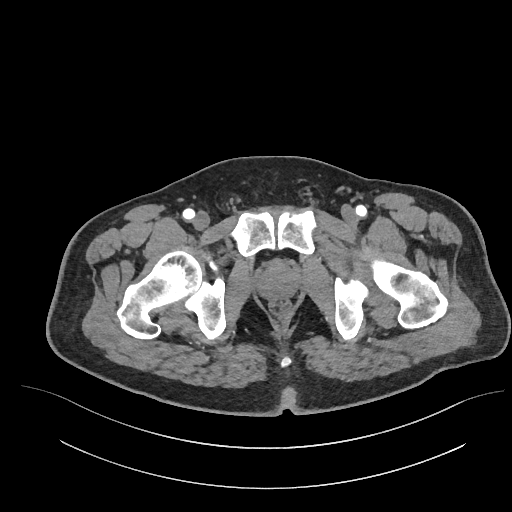
Abdominal CT · Axial slice 27/333 · abdomen soft-tissue window · 512x512 px · acquired on SOMATOM Force · 15 organs annotated in this scan (a whole-scan count: organs this slice does not pass through have no box)
Bounding boxes as [x1, y1, x2, y2] in pixel coordinates. The annotated organs in this slice are: prostate/uterus at [258, 263, 298, 298].